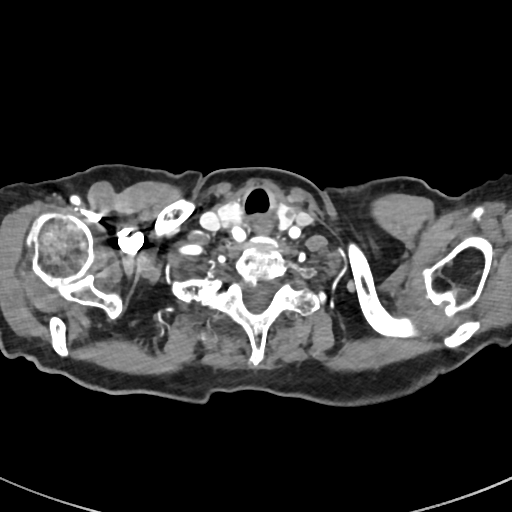
Abdominal CT reaching into the chest; this slice is in the chest; axial view; 512x512 px
At this level of the chest this dataset labels only the esophagus and the aorta, and each is boxed only where it is labeled; the heart and lungs are never labeled.
Bounding boxes as [x1, y1, x2, y2] in pixel coordinates.
Organ bounding boxes:
- esophagus: [254, 221, 270, 231]